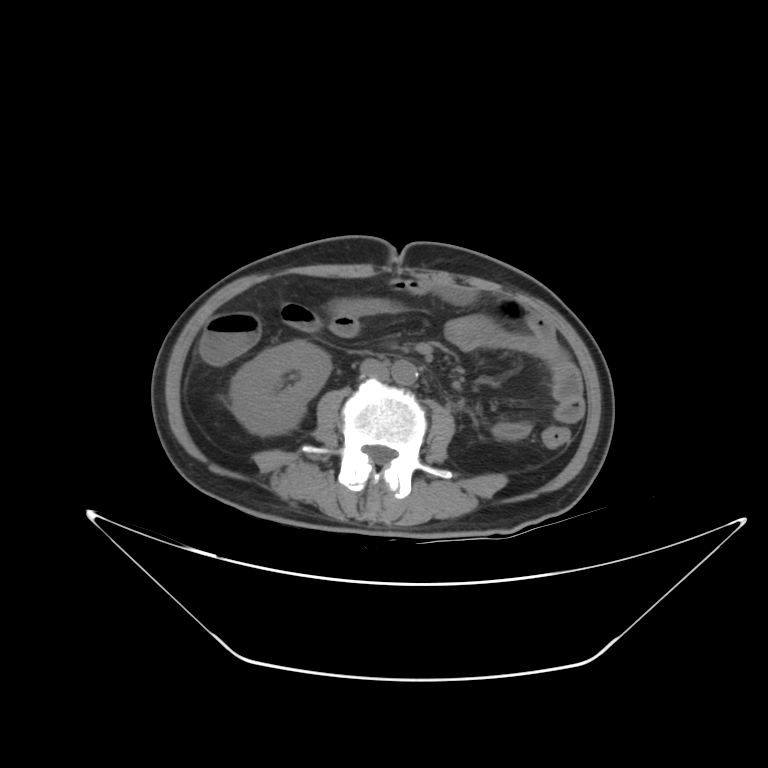

Computed tomography, abdomen. axial plane, index 51. 768x768 px. 55-year-old male patient
<organs><organ name="right kidney" x1="230" y1="340" x2="330" y2="435"/><organ name="aorta" x1="391" y1="360" x2="417" y2="385"/><organ name="inferior vena cava" x1="360" y1="359" x2="389" y2="380"/></organs>